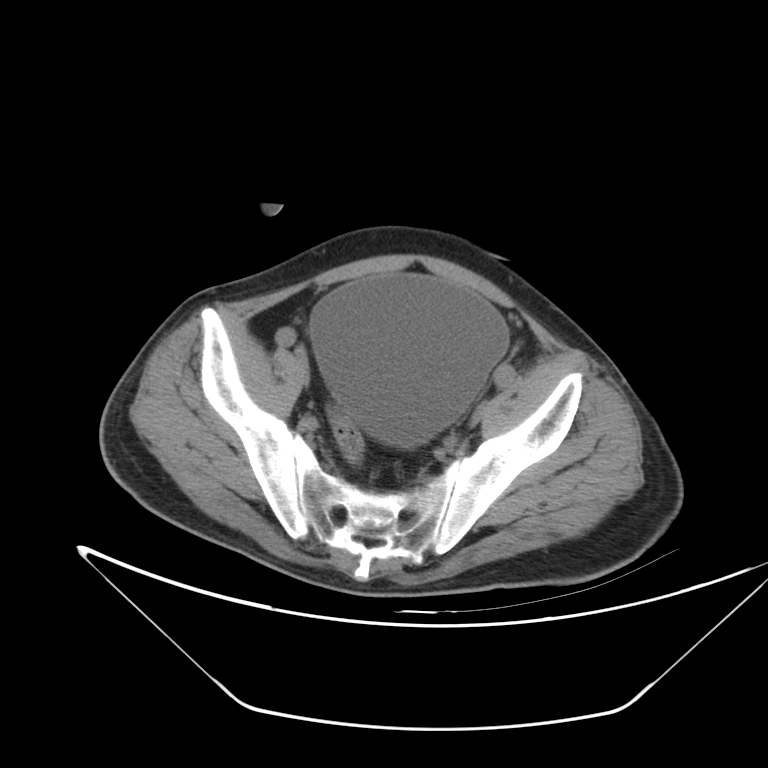 Computed tomography, abdomen; axial view; 47-year-old male patient
Each box given as x1,y1,x2,y2.
bladder: x1=311, y1=273, x2=509, y2=445